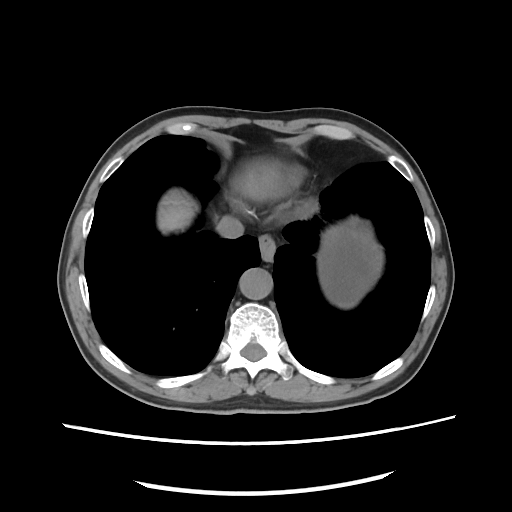 Computed tomography, abdomen · axial view · soft-tissue window (W 400 / L 40) · 68-year-old male patient
Coordinates as <box>x1,y1,x2,y2</box> in pixels.
esophagus: <box>259,235,275,261</box>
liver: <box>158,193,193,232</box>
stomach: <box>317,220,382,306</box>
aorta: <box>239,268,272,299</box>
inferior vena cava: <box>216,216,243,238</box>